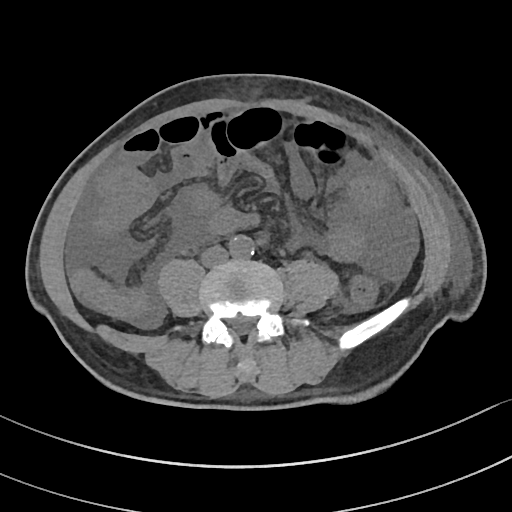 Computed tomography, abdomen; Axial slice 84/206; 512x512 px; 15 organs annotated in this scan (counted over the whole 3D scan, not this slice; an organ is boxed only where this slice passes through it)
Bounding boxes in pixels, one row per box: x1, y1 is the top-left corner and x2, y2 the bottom-right.
| organ | x1 | y1 | x2 | y2 |
|---|---|---|---|---|
| inferior vena cava | 201 | 245 | 228 | 266 |
| aorta | 230 | 235 | 254 | 258 |